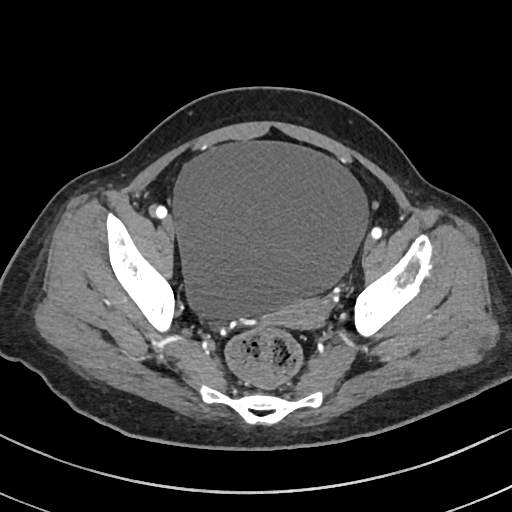

CT abdomen · axial view · scan has 15 labeled organs (counted over the whole 3D scan, not this slice; an organ is boxed only where this slice passes through it)
<organs><organ name="bladder" x1="173" y1="142" x2="369" y2="320"/><organ name="prostate/uterus" x1="278" y1="299" x2="327" y2="327"/></organs>